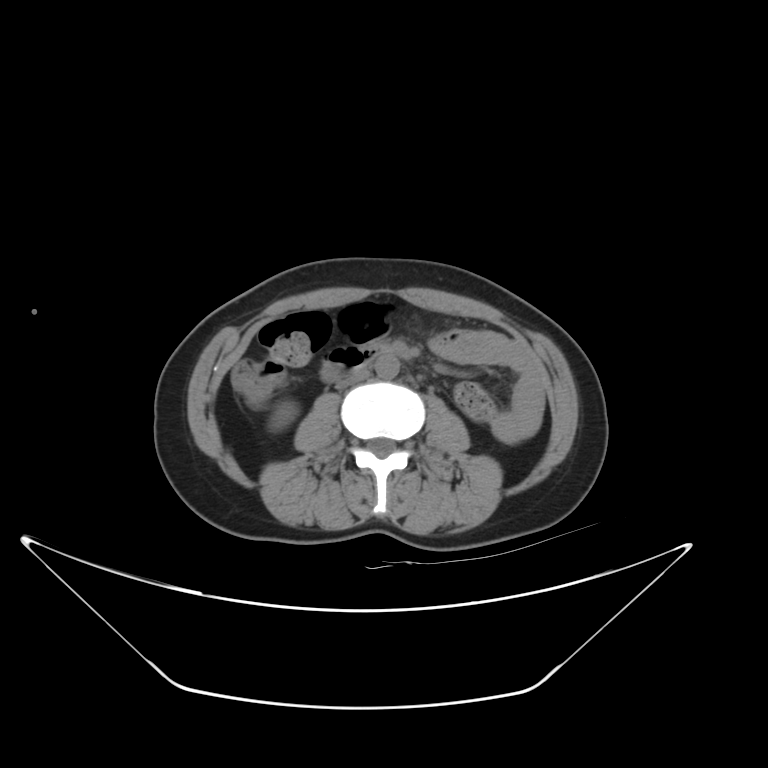

Computed tomography, abdomen · axial view · 43-year-old female patient
Each box given as x1,y1,x2,y2.
Organ bounding boxes:
- right kidney: x1=273, y1=405, x2=291, y2=427
- aorta: x1=375, y1=354, x2=399, y2=378
- inferior vena cava: x1=336, y1=368, x2=369, y2=388
- duodenum: x1=320, y1=341, x2=388, y2=380